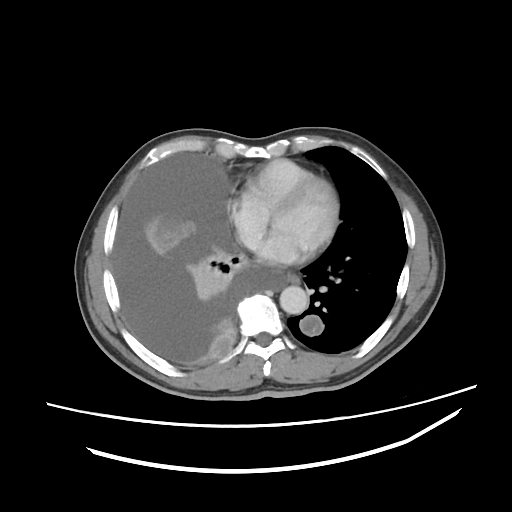

CT of the abdomen reaching into the lower chest, slice just above the liver and spleen — axial view
No part of the heart or lungs is labeled in this dataset, so neither has a box here.
Bounding boxes in pixels, one row per box: x1, y1 is the top-left corner and x2, y2 the bottom-right.
| organ | x1 | y1 | x2 | y2 |
|---|---|---|---|---|
| esophagus | 288 | 275 | 298 | 283 |
| aorta | 279 | 285 | 308 | 314 |